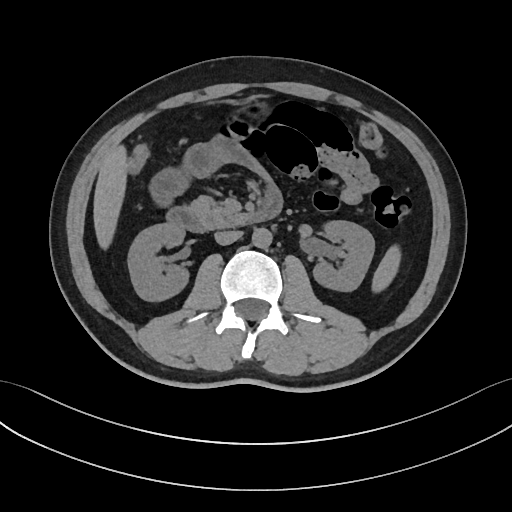

CT abdomen; axial view
Each box given as x1,y1,x2,y2.
Organ bounding boxes:
- inferior vena cava: x1=214, y1=230, x2=242, y2=244
- pancreas: x1=185, y1=196, x2=247, y2=228
- liver: x1=94, y1=145, x2=126, y2=246
- right kidney: x1=128, y1=223, x2=190, y2=302
- duodenum: x1=165, y1=188, x2=282, y2=231
- left kidney: x1=312, y1=221, x2=374, y2=291
- spleen: x1=371, y1=246, x2=401, y2=292
- aorta: x1=251, y1=228, x2=271, y2=248
- stomach: x1=196, y1=100, x2=273, y2=132